Computed tomography, abdomen · Axial slice 61/126 · soft-tissue window (W 400 / L 40) · Aquilion ONE scanner
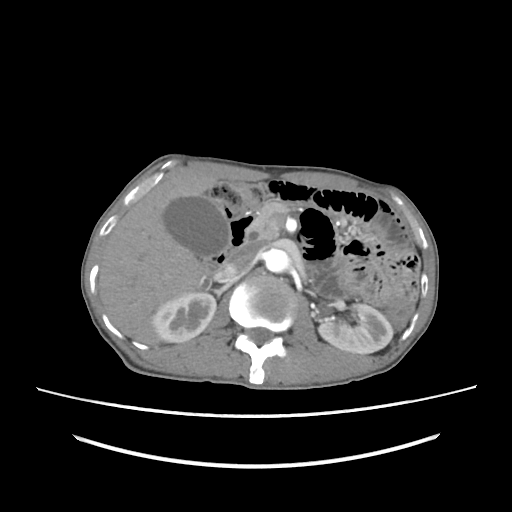
{"organs":{"inferior vena cava":[222,245,260,277],"right kidney":[152,292,216,342],"aorta":[264,249,290,272],"left kidney":[318,304,392,354],"duodenum":[203,212,254,275],"pancreas":[250,203,288,241],"liver":[98,175,217,344],"gall bladder":[163,196,227,255]}}